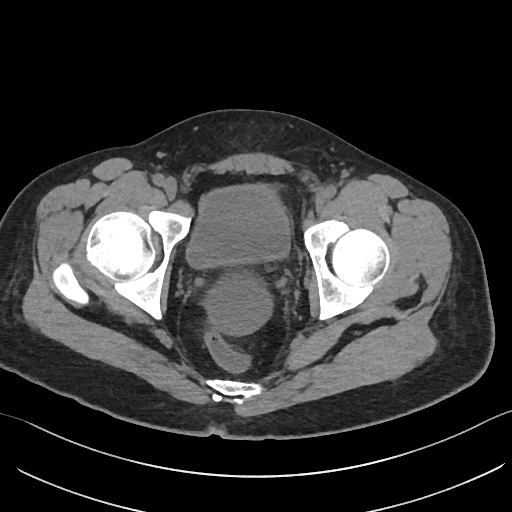
Computed tomography, abdomen. axial plane, index 26. SOMATOM Force scanner. scan has 15 labeled organs (that count is for the whole scan; organs this slice misses have no box)
{"organs":{"bladder":[187,187,289,267]}}